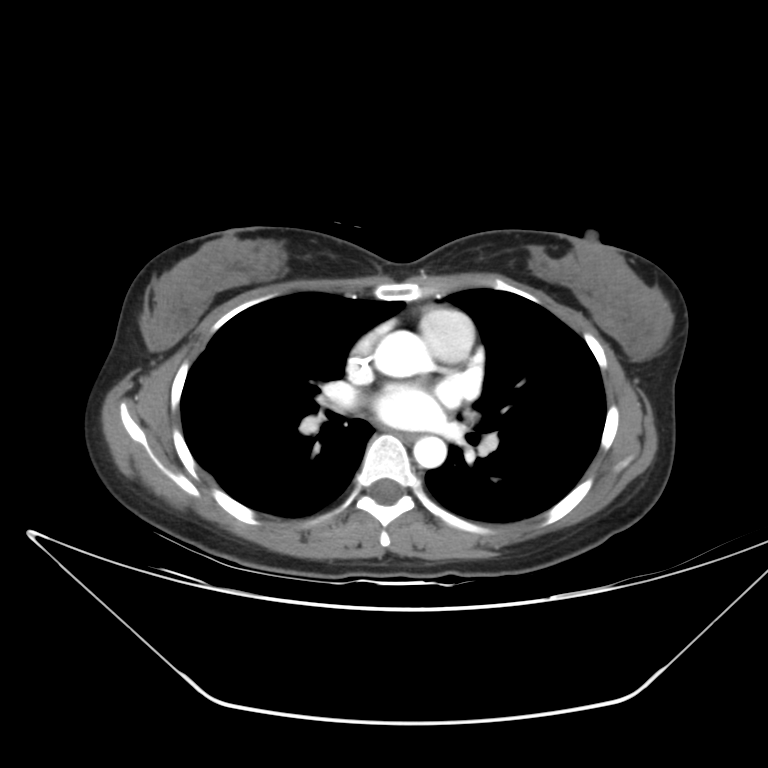 Chest-level CT slice, above the liver and spleen. Axial slice 49/72. soft-tissue window
At this level of the chest this dataset labels only the esophagus and the aorta, and each is boxed only where it is labeled; the heart and lungs are never labeled. Boxes are (x1, y1, x2, y2) in pixels. Labeled organs on this slice: esophagus at (402, 432, 420, 440), aorta at (375, 331, 435, 377), aorta at (413, 436, 446, 467).